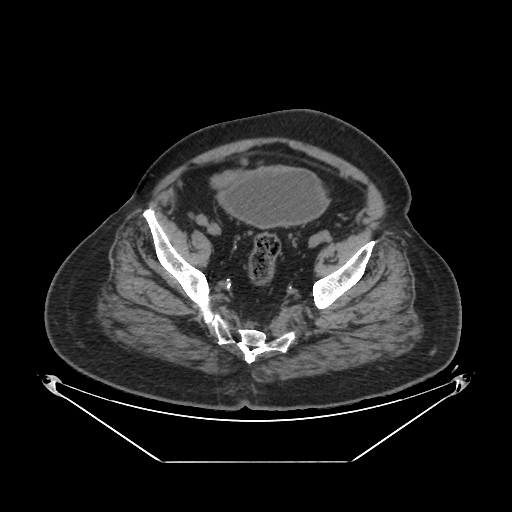

Abdominal CT — axial plane, index 77 — abdomen soft-tissue window
Coordinates as <box>x1,y1,x2,y2</box> in pixels.
Organ bounding boxes:
- bladder: <box>219,167,327,227</box>